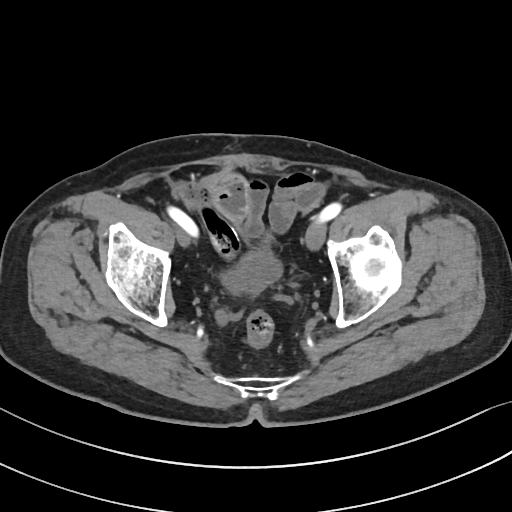
CT, abdomen/pelvis · axial plane, index 45
Box edges are left/top/right/bottom in pixels.
Organ bounding boxes:
- bladder: left=224, top=252, right=278, bottom=291